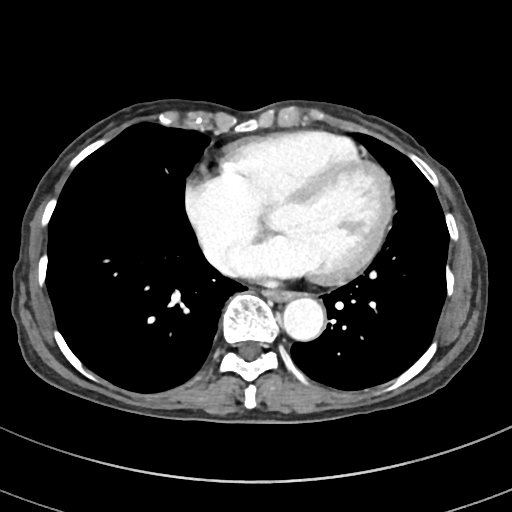

CT of the abdomen reaching into the lower chest, slice just above the liver and spleen. Axial slice 186/198
Of the structures in the chest, this dataset labels only the esophagus, the aorta and the inferior vena cava; the heart and lungs have no label.
Bounding boxes in pixels, one row per box: x1, y1 is the top-left corner and x2, y2 the bottom-right.
| organ | x1 | y1 | x2 | y2 |
|---|---|---|---|---|
| aorta | 282 | 298 | 323 | 342 |
| esophagus | 267 | 291 | 293 | 301 |